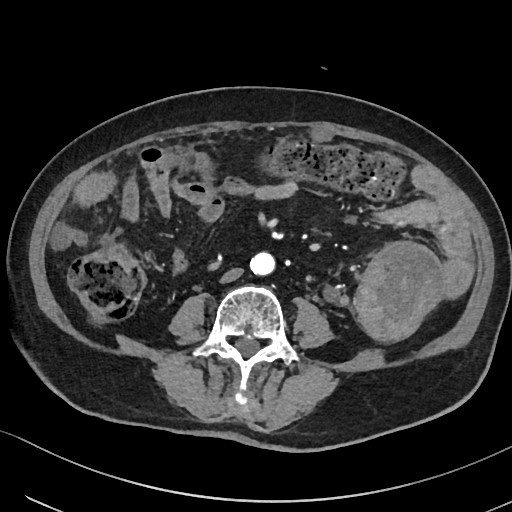

Computed tomography, abdomen; axial view
Boxes: x1:y1:x2:y2 in pixels.
Organ bounding boxes:
- aorta: 250:251:276:275
- inferior vena cava: 220:267:243:283